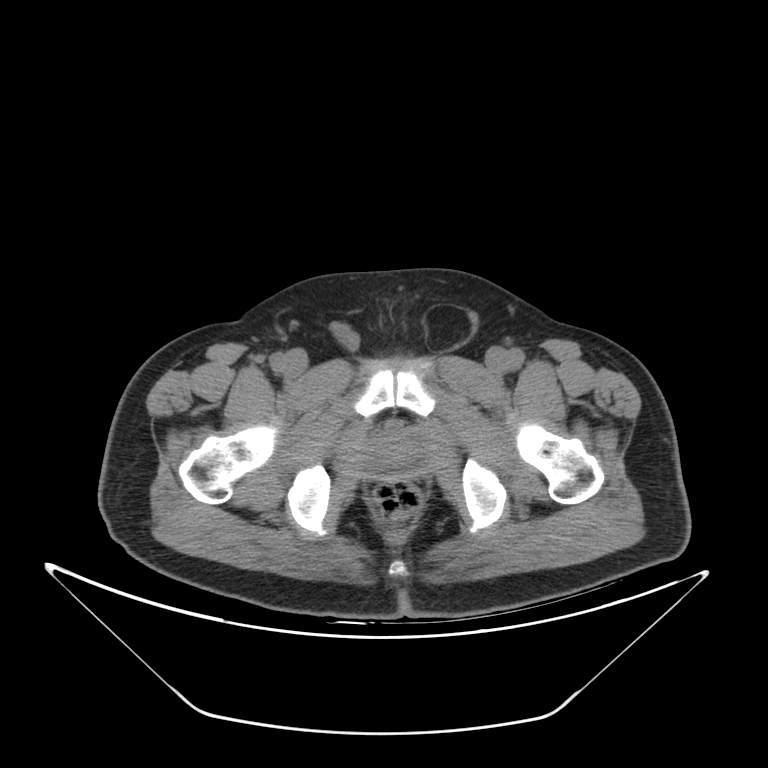

CT abdomen. Axial slice 11/82. abdomen soft-tissue window. 55-year-old male patient. Brilliance16 scanner
{"organs":{"prostate/uterus":[367,432,423,475]}}